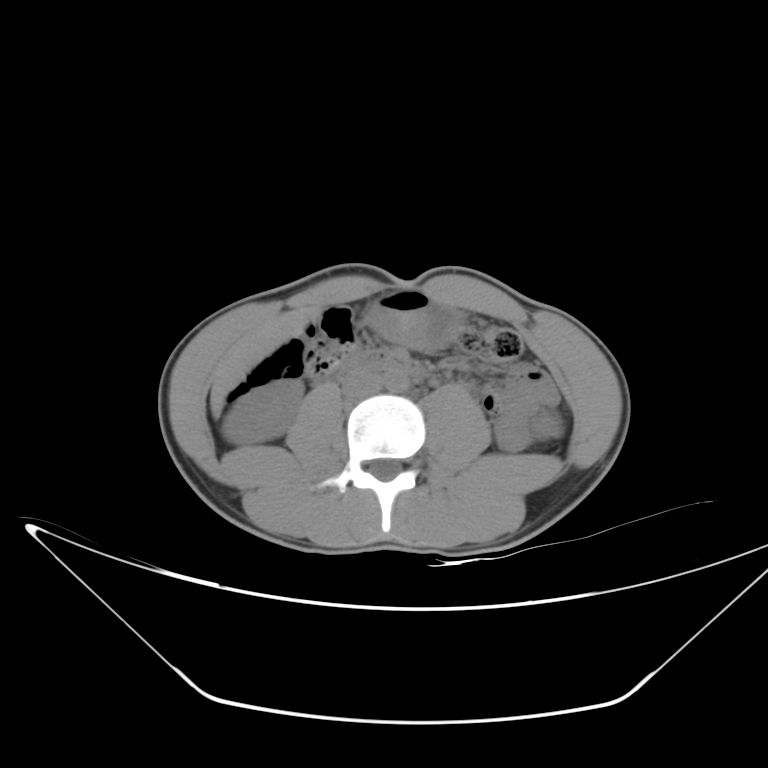

CT, abdomen/pelvis; Axial slice 45/74; 768x768 px; 39-year-old male patient
Bounding boxes in pixels, one row per box: x1, y1 is the top-left corner and x2, y2 the bottom-right.
| organ | x1 | y1 | x2 | y2 |
|---|---|---|---|---|
| right kidney | 221 | 378 | 302 | 445 |
| liver | 211 | 306 | 320 | 415 |
| stomach | 366 | 290 | 462 | 348 |
| aorta | 384 | 371 | 408 | 392 |
| inferior vena cava | 343 | 369 | 382 | 398 |
| duodenum | 339 | 352 | 421 | 374 |